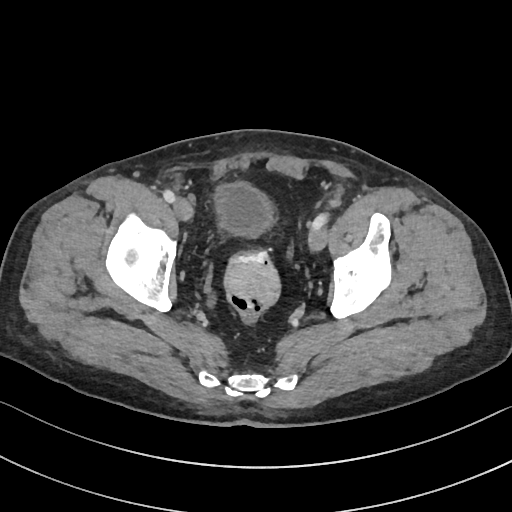 CT, abdomen/pelvis — axial plane, index 55 — scan has 14 labeled organs (that count is for the whole scan; organs this slice misses have no box)
Each box given as x1,y1,x2,y2.
Organ bounding boxes:
- bladder: x1=215, y1=182, x2=271, y2=236